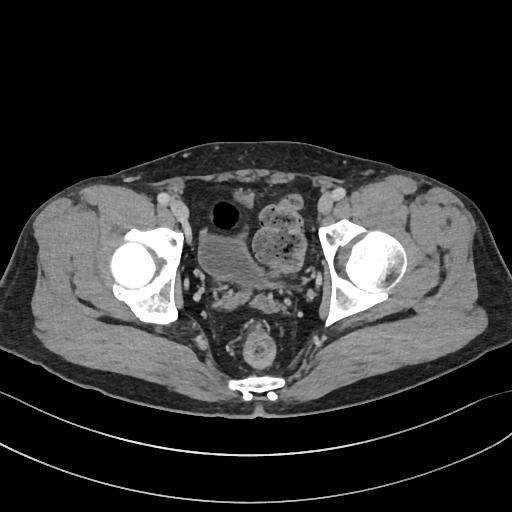
CT abdomen — axial view — 512x512 px
Boxes: x1:y1:x2:y2 in pixels.
bladder: 200:195:275:289